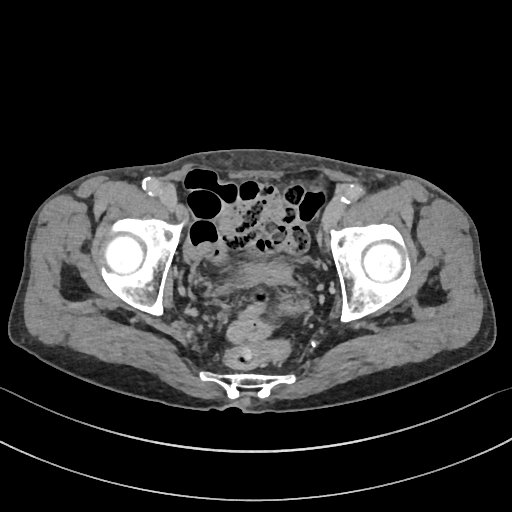 CT, abdomen/pelvis; axial view; soft-tissue window; acquired on SOMATOM Force; scan has 15 labeled organs (a whole-scan count: organs this slice does not pass through have no box)
Boxes: x1:y1:x2:y2 in pixels.
bladder: 238:263:290:285